Abdominal CT; axial view; W/L 400/40 HU; 512x512 px; Aquilion ONE scanner
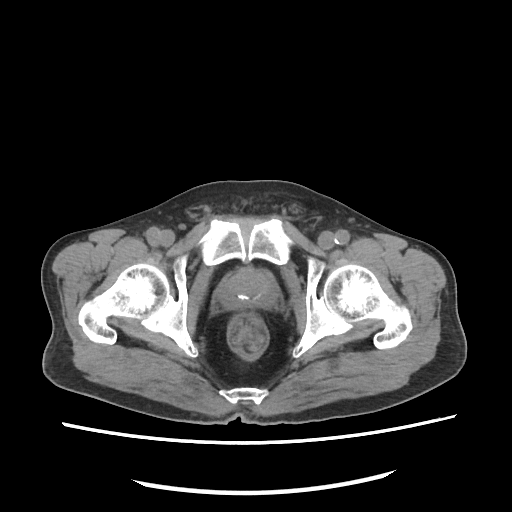
Coordinates as <box>x1,y1,x2,y2</box> in pixels. The annotated organs in this slice are: prostate/uterus at <box>220,269,276,309</box>.